Computed tomography, abdomen · axial view · soft-tissue window · SOMATOM Force scanner
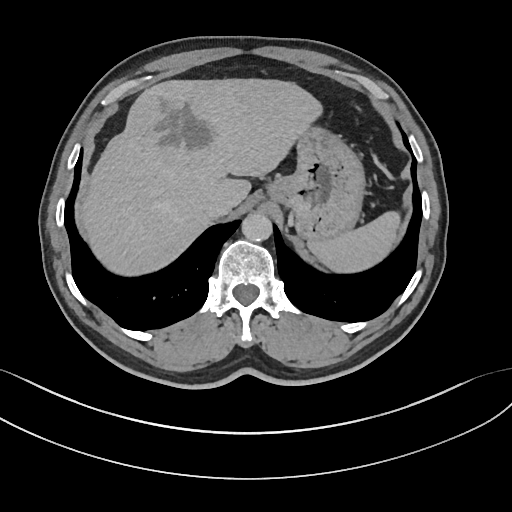
Bounding boxes as [x1, y1, x2, y2] in pixel coordinates.
spleen: [308, 211, 399, 272]
liver: [79, 78, 322, 275]
stomach: [267, 126, 365, 240]
aorta: [241, 213, 272, 241]
inferior vena cava: [202, 194, 229, 218]